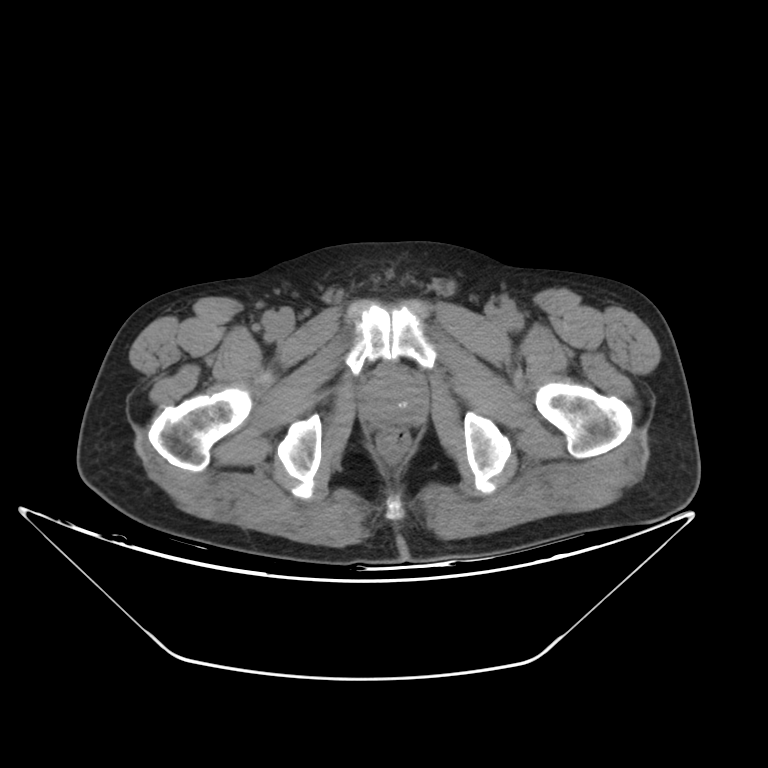
CT abdomen. axial view. W/L 400/40 HU. 71-year-old male patient
Boxes are (x1, y1, x2, y2) in pixels.
prostate/uterus: (358, 369, 425, 427)